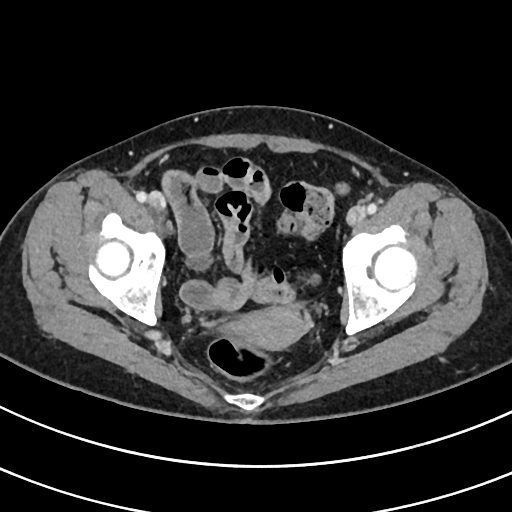 CT abdomen. axial view. W/L 400/40 HU
{"organs":{"prostate/uterus":[231,304,306,349]}}